Lower-chest slice from an abdominal CT, just above the liver and spleen · Axial slice 236/245 · soft-tissue window, W/L 400/40 · 512x512 px
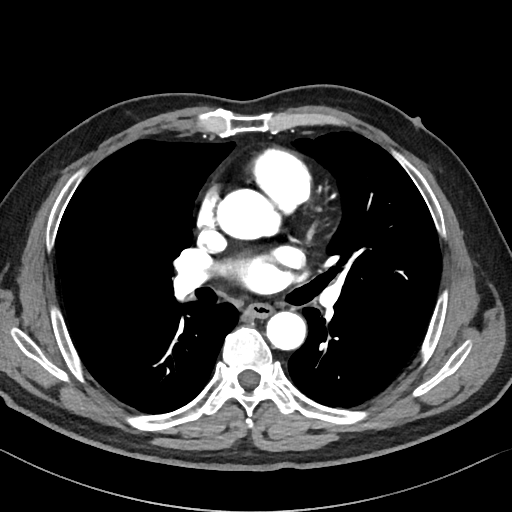
No part of the heart or lungs is labeled in this dataset, so neither has a box here.
Boxes are (x1, y1, x2, y2) in pixels.
Organ bounding boxes:
- esophagus: (249, 303, 272, 317)
- aorta: (216, 188, 277, 240)
- aorta: (266, 311, 306, 350)